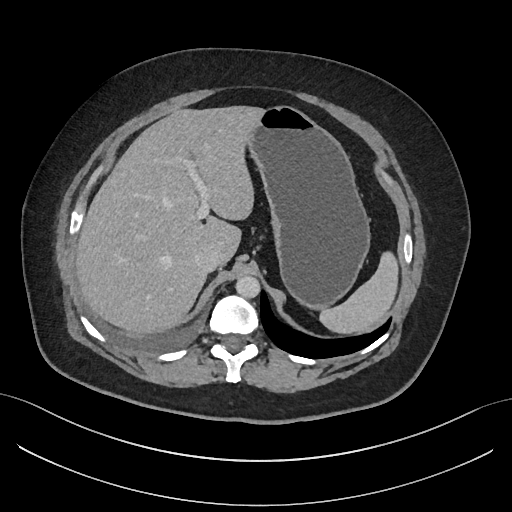

CT abdomen. axial view. acquired on SOMATOM Force
Boxes: x1:y1:x2:y2 in pixels.
spleen: 320:252:397:332
aorta: 234:275:259:298
stomach: 249:107:370:310
inferior vena cava: 195:248:219:272
liver: 76:106:265:332